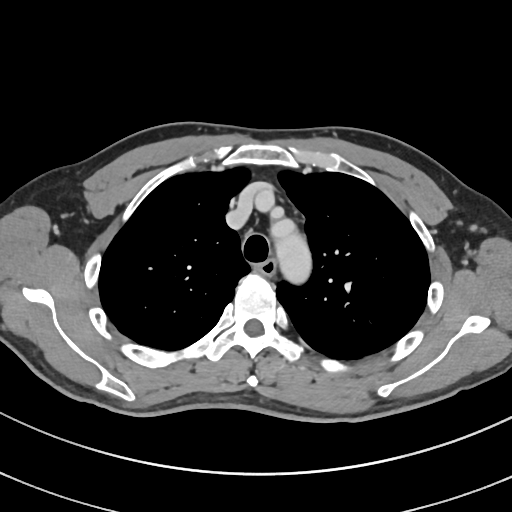
CT of the abdomen extending into the chest, slice through the chest. axial view. W/L 400/40 HU. 512x512 px. scan has 15 labeled organs (that count is for the whole scan; organs this slice misses have no box)
At this level of the chest no structure but the esophagus and the aorta has a label in this dataset, and those two are boxed only where they are labeled.
<organs><organ name="esophagus" x1="258" y1="259" x2="276" y2="275"/><organ name="aorta" x1="272" y1="219" x2="311" y2="284"/></organs>